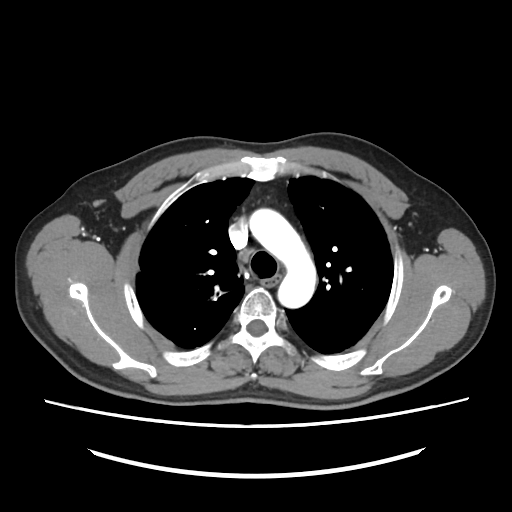 Chest-level CT slice, above the liver and spleen — axial view — 512x512 px
At this level of the chest this dataset labels only the esophagus and the aorta, and each is boxed only where it is labeled; the heart and lungs are never labeled.
{"organs":{"esophagus":[260,273,280,287],"aorta":[249,209,316,308]}}